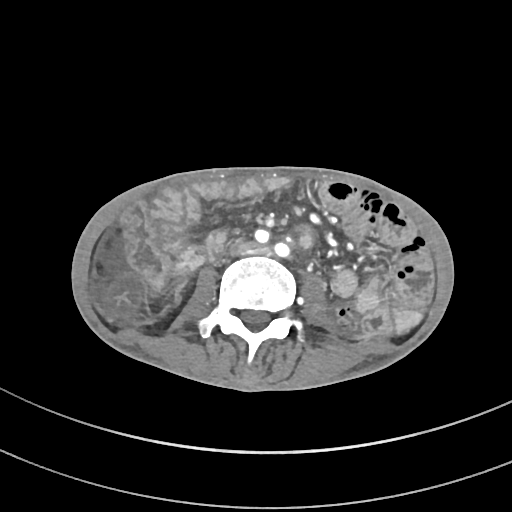
CT abdomen — axial view — W/L 400/40 HU — 512x512 px — 15 organs annotated in this scan (counted over the whole 3D scan, not this slice; an organ is boxed only where this slice passes through it)
Boxes: x1 y1 x2 y2 (pixel coords, space-separated).
inferior vena cava: 230 240 256 254